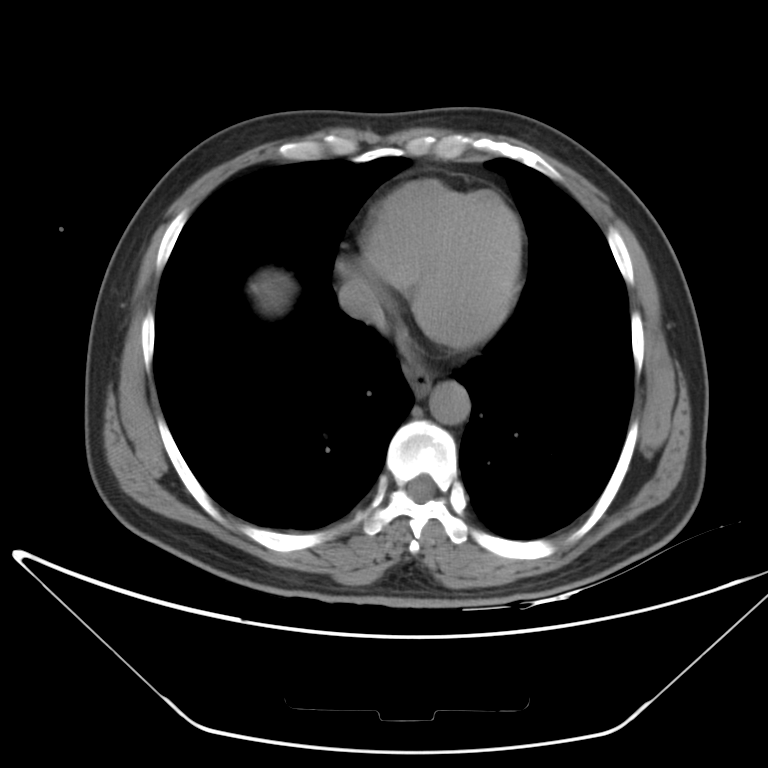
Computed tomography, abdomen; axial plane, index 77; soft-tissue window (W 400 / L 40); 768x768 px; 42-year-old male patient
Each box given as x1,y1,x2,y2. Labeled organs on this slice: esophagus at x1=403, y1=360, x2=433, y2=395, liver at x1=252, y1=276, x2=288, y2=307, aorta at x1=428, y1=381, x2=469, y2=425, inferior vena cava at x1=338, y1=277, x2=383, y2=324.